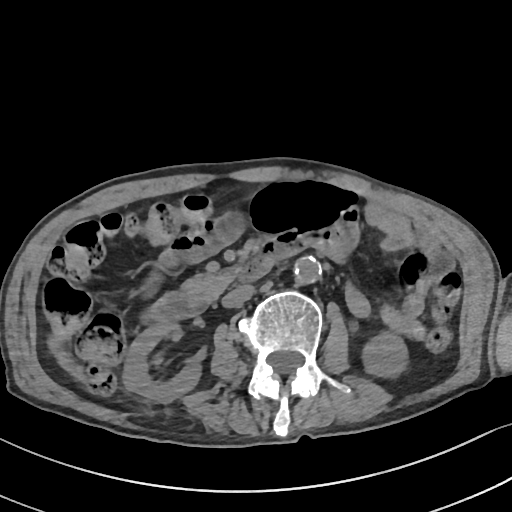

CT abdomen; Axial slice 122/208; abdomen soft-tissue window
Boxes are (x1, y1, x2, y2) in pixels.
right kidney: (122, 321, 201, 402)
left kidney: (362, 331, 407, 378)
liver: (57, 353, 75, 374)
aorta: (294, 256, 321, 284)
inferior vena cava: (222, 284, 253, 307)
pancreas: (181, 269, 234, 303)
duodenum: (143, 240, 299, 321)